Computed tomography, abdomen. axial view. soft-tissue window (W 400 / L 40). 55-year-old male patient
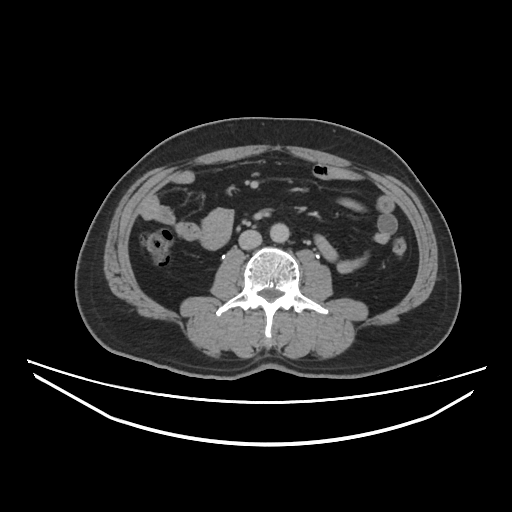
<organs><organ name="aorta" x1="270" y1="223" x2="290" y2="241"/><organ name="inferior vena cava" x1="239" y1="229" x2="261" y2="249"/></organs>